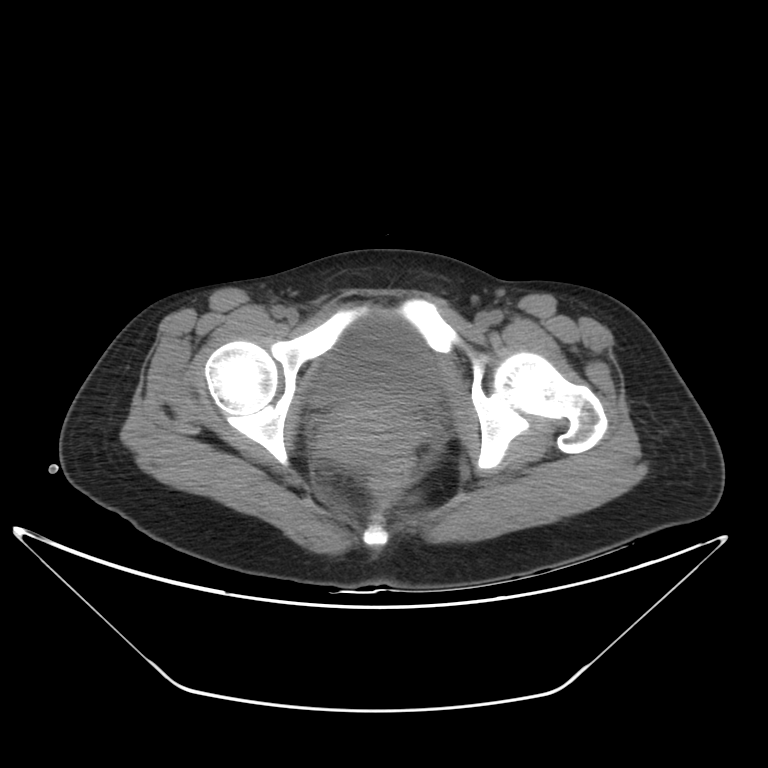

CT abdomen — Axial slice 15/95 — acquired on Brilliance16
Bounding boxes in pixels, one row per box: x1, y1 is the top-left corner and x2, y2 the bottom-right.
| organ | x1 | y1 | x2 | y2 |
|---|---|---|---|---|
| bladder | 311 | 316 | 440 | 408 |
| prostate/uterus | 317 | 403 | 418 | 461 |